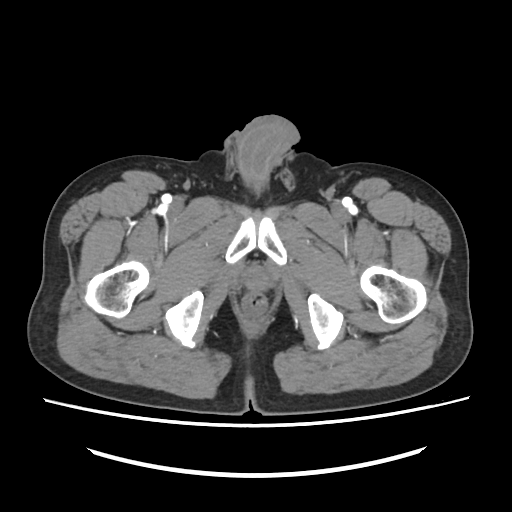 Abdominal CT; axial view; 512x512 px; 46-year-old male patient
Boxes: x1:y1:x2:y2 in pixels.
prostate/uterus: 245:269:268:289